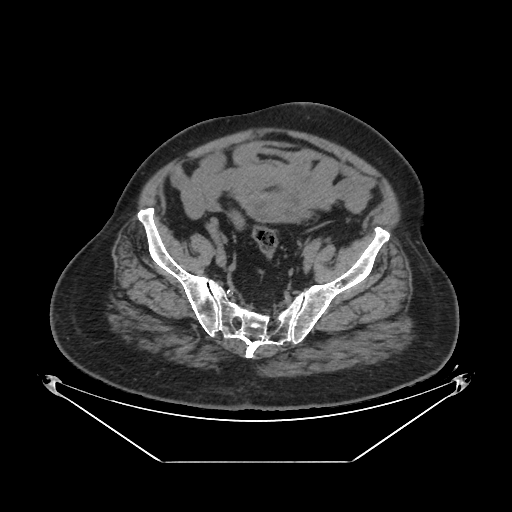
Computed tomography, abdomen — Axial slice 89/353 — soft-tissue window (W 400 / L 40)
Boxes: x1 y1 x2 y2 (pixel coords, space-separated).
Organ bounding boxes:
- bladder: 240 195 309 220